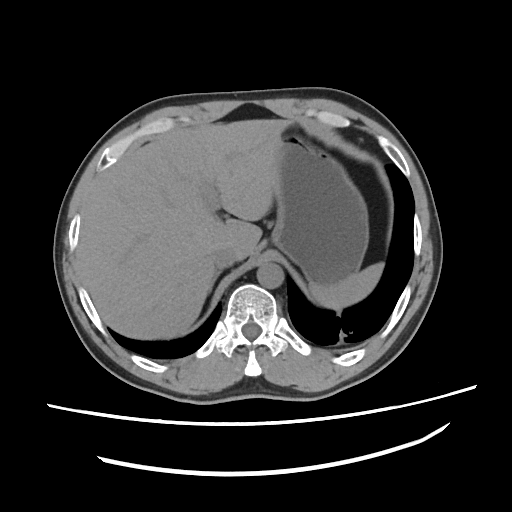 CT abdomen · Axial slice 79/92 · soft-tissue window (W 400 / L 40)
Box edges are left/top/right/bottom in pixels.
Organ bounding boxes:
- liver: left=78, top=117, right=292, bottom=339
- right adrenal gland: left=211, top=271, right=221, bottom=291
- spleen: left=312, top=263, right=382, bottom=310
- stomach: left=270, top=127, right=369, bottom=285
- inferior vena cava: left=212, top=246, right=236, bottom=268
- aorta: left=257, top=261, right=284, bottom=287